Computed tomography, abdomen. axial view
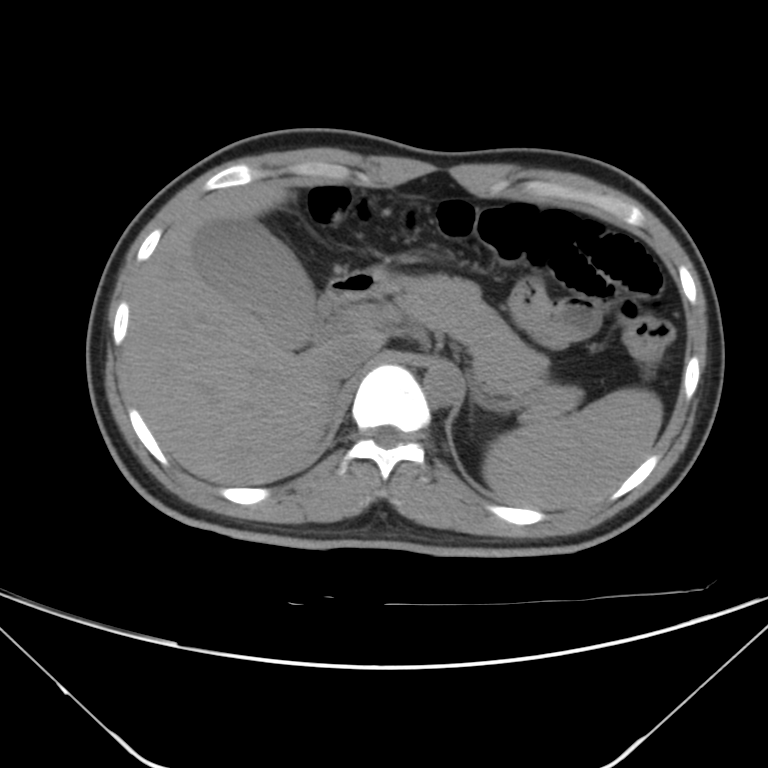
{"organs":{"spleen":[482,387,663,508],"gall bladder":[194,220,320,344],"liver":[124,181,380,484],"aorta":[423,363,463,406],"inferior vena cava":[325,334,380,383],"pancreas":[394,275,576,413],"duodenum":[321,268,398,315]}}